Chest-level CT slice, above the liver and spleen; axial view; soft-tissue window (W 400 / L 40); acquired on Aquilion ONE
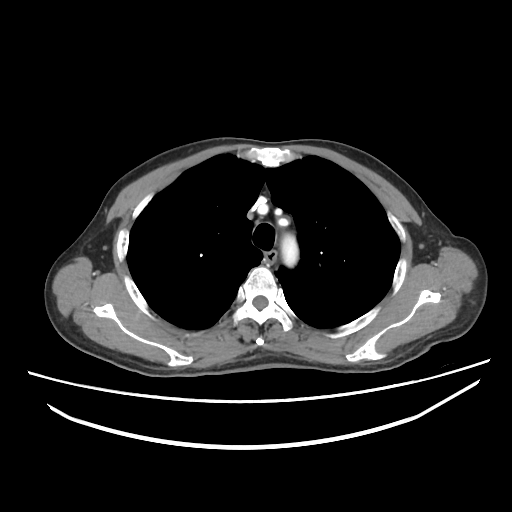 At this level of the chest no structure but the esophagus and the aorta has a label in this dataset, and those two are boxed only where they are labeled.
{"organs":{"aorta":[281,234,298,266],"esophagus":[264,250,276,262]}}